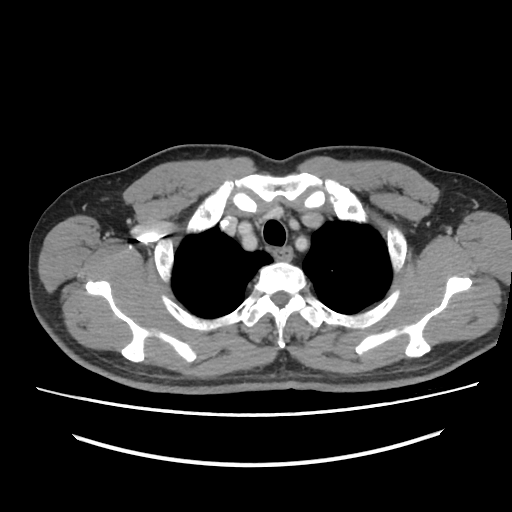 Chest-level CT slice, above the liver and spleen — axial view — soft-tissue window — scan has 14 labeled organs (that count is for the whole scan; organs this slice misses have no box)
On a slice this high in the chest, this dataset labels only the esophagus and the aorta, and each is boxed only where it is labeled; the heart, lungs and other chest structures are not labeled.
Bounding boxes in pixels, one row per box: x1, y1 is the top-left corner and x2, y2 the bottom-right.
| organ | x1 | y1 | x2 | y2 |
|---|---|---|---|---|
| esophagus | 275 | 249 | 291 | 260 |